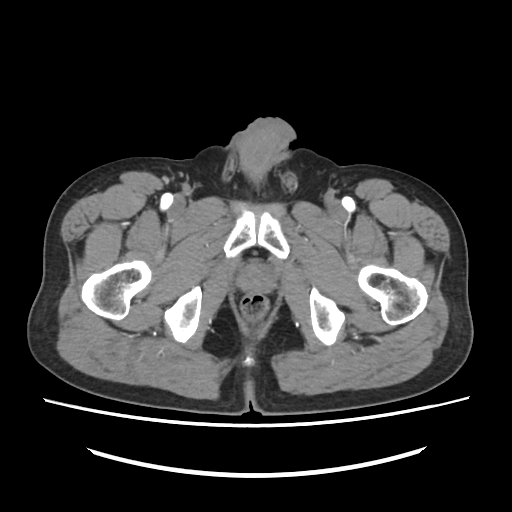

CT abdomen · Axial slice 16/134 · soft-tissue window (W 400 / L 40) · 46-year-old male patient · 15 organs annotated in this scan (a whole-scan count: organs this slice does not pass through have no box)
<organs><organ name="prostate/uterus" x1="238" y1="264" x2="274" y2="292"/></organs>